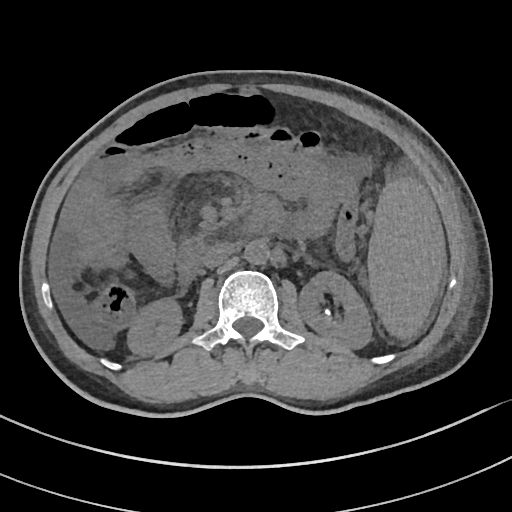
Computed tomography, abdomen · axial view · scan has 15 labeled organs (that count is for the whole scan; organs this slice misses have no box)
{"organs":{"spleen":[368,176,444,335],"right kidney":[130,300,181,355],"left kidney":[299,270,371,347],"aorta":[244,240,268,264],"inferior vena cava":[203,242,235,268],"duodenum":[178,233,209,282]}}